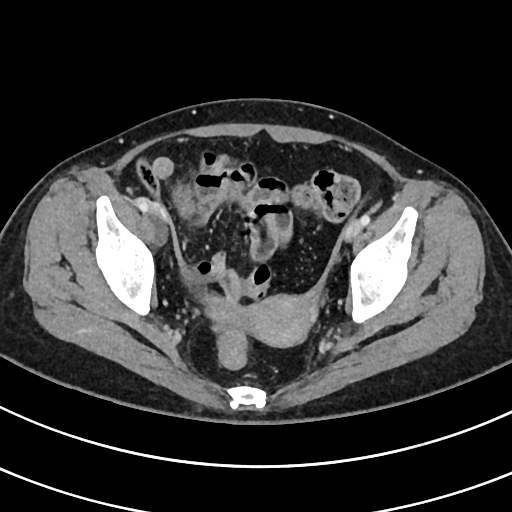 Abdominal CT; Axial slice 35/192; abdomen soft-tissue window; 512x512 px
<organs><organ name="prostate/uterus" x1="236" y1="296" x2="316" y2="347"/></organs>